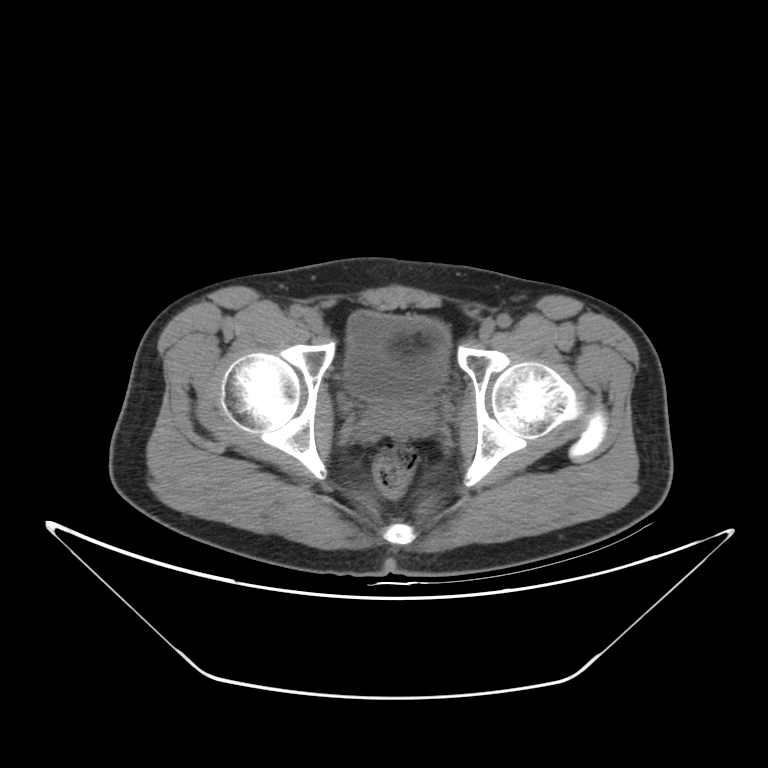 CT abdomen. axial view. soft-tissue window. 25-year-old male patient. scan has 15 labeled organs (that count is for the whole scan; organs this slice misses have no box)
Each box given as x1,y1,x2,y2.
Organ bounding boxes:
- prostate/uterus: x1=371, y1=399, x2=422, y2=426
- bladder: x1=345, y1=311, x2=448, y2=400